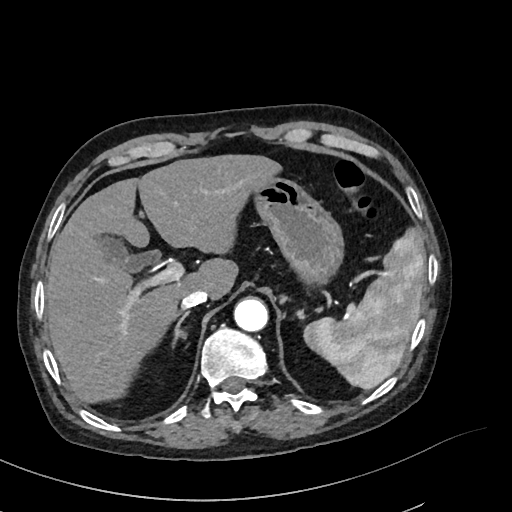 Computed tomography, abdomen — axial plane, index 186 — abdomen soft-tissue window — 512x512 px — 15 organs annotated in this scan (counted over the whole 3D scan, not this slice; an organ is boxed only where this slice passes through it)
{"organs":{"inferior vena cava":[181,289,208,308],"spleen":[303,227,425,389],"right adrenal gland":[174,311,189,338],"aorta":[233,297,268,331],"liver":[45,154,281,403],"stomach":[251,176,343,285],"gall bladder":[97,234,160,272]}}